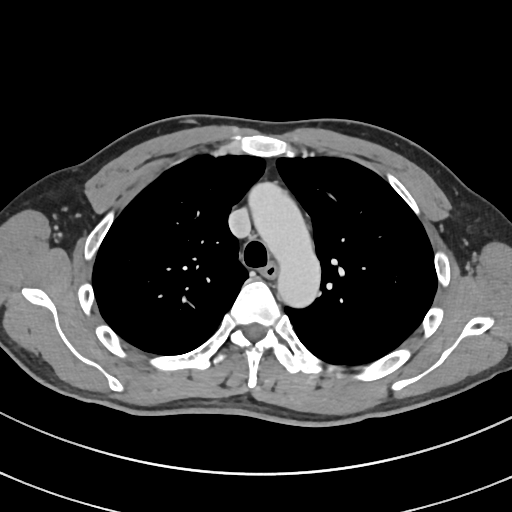
Chest-level CT slice, above the liver and spleen — axial view — soft-tissue window (W 400 / L 40)
At this level of the chest no structure but the esophagus and the aorta has a label in this dataset, and those two are boxed only where they are labeled.
Box edges are left/top/right/bottom in pixels.
Organ bounding boxes:
- esophagus: left=262, top=261, right=279, bottom=278
- aorta: left=247, top=182, right=319, bottom=309